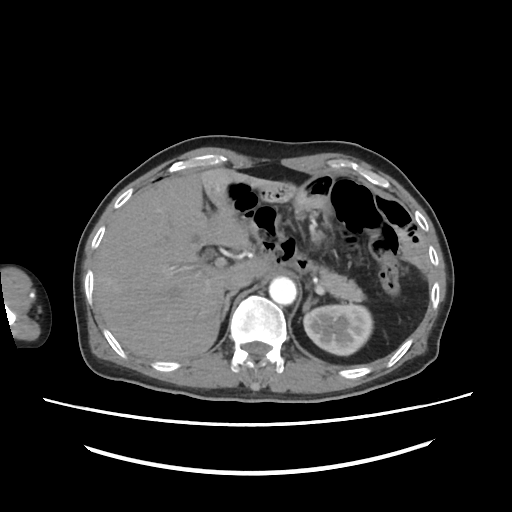

Computed tomography, abdomen. axial view. soft-tissue window. 512x512 px. acquired on Aquilion ONE
{"organs":{"aorta":[269,277,296,304],"right adrenal gland":[220,292,236,320],"left kidney":[304,305,372,354],"inferior vena cava":[222,267,253,292],"left adrenal gland":[301,292,320,314],"pancreas":[307,262,365,300],"liver":[94,167,271,359]}}